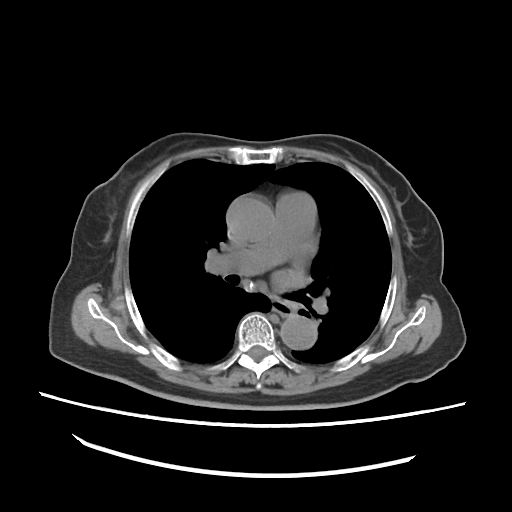
Lower-chest slice from an abdominal CT, just above the liver and spleen — axial view — 512x512 px — 75-year-old female patient
Of the structures in the chest, this dataset labels only the esophagus, the aorta and the inferior vena cava; the heart and lungs have no label.
Bounding boxes as [x1, y1, x2, y2] in pixel coordinates.
Organ bounding boxes:
- esophagus: [269, 301, 294, 314]
- aorta: [227, 197, 274, 244]
- aorta: [280, 317, 315, 350]